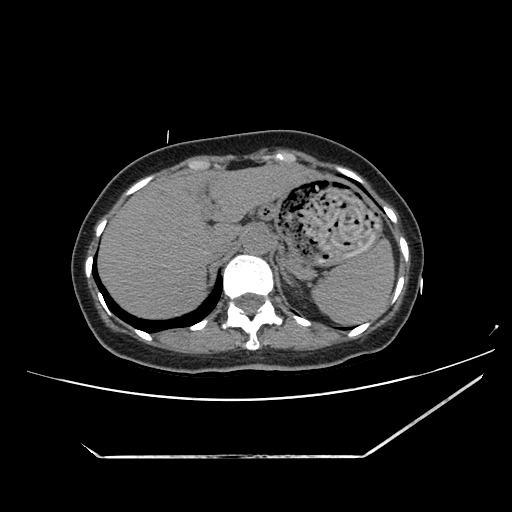 Abdominal CT. axial view
{"organs":{"spleen":[312,238,394,324],"liver":[98,163,319,318],"stomach":[260,175,381,264],"aorta":[241,227,274,254],"inferior vena cava":[205,238,233,262],"pancreas":[292,262,313,279],"left adrenal gland":[278,260,293,284]}}